Computed tomography, abdomen — axial view — 512x512 px
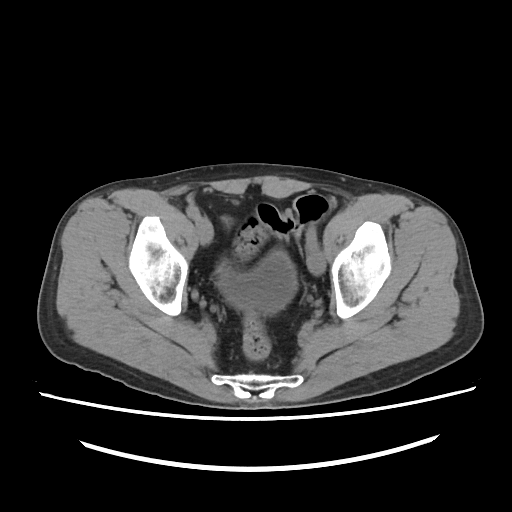

Bounding boxes in pixels, one row per box: x1, y1 is the top-left corner and x2, y2 the bottom-right.
| organ | x1 | y1 | x2 | y2 |
|---|---|---|---|---|
| bladder | 218 | 250 | 297 | 313 |